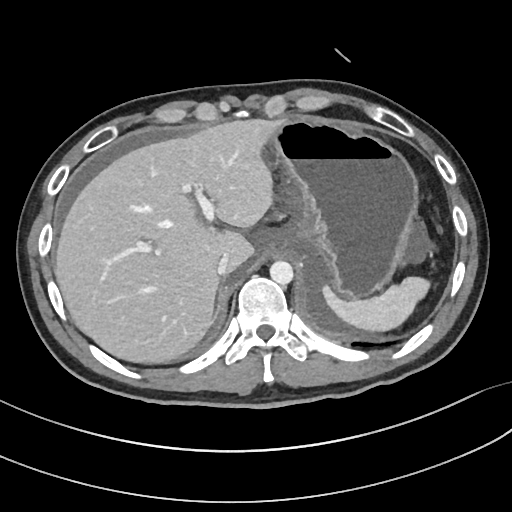

CT, abdomen/pelvis. axial view. 512x512 px
Boxes are (x1, y1, x2, y2) in pixels.
Organ bounding boxes:
- spleen: (324, 276, 430, 330)
- liver: (55, 120, 283, 362)
- stomach: (272, 119, 419, 300)
- aorta: (270, 261, 293, 284)
- inferior vena cava: (217, 253, 228, 274)